CT, abdomen/pelvis. axial view. 768x768 px. 69-year-old male patient
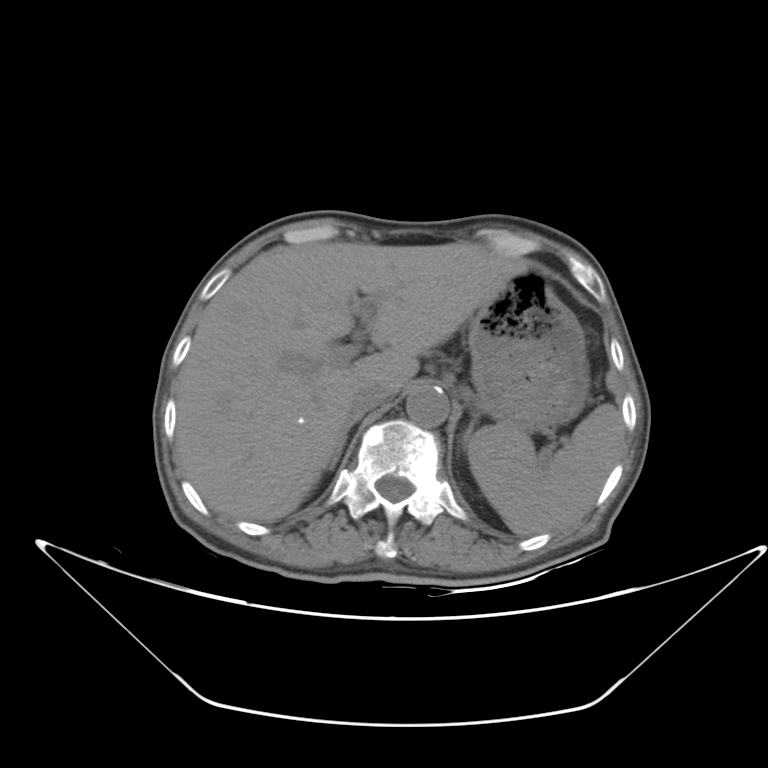 <organs><organ name="spleen" x1="469" y1="404" x2="624" y2="534"/><organ name="liver" x1="175" y1="240" x2="526" y2="521"/><organ name="stomach" x1="467" y1="264" x2="590" y2="431"/><organ name="aorta" x1="404" y1="385" x2="449" y2="428"/><organ name="inferior vena cava" x1="352" y1="385" x2="392" y2="413"/><organ name="pancreas" x1="327" y1="342" x2="333" y2="348"/><organ name="right adrenal gland" x1="320" y1="418" x2="354" y2="470"/><organ name="left adrenal gland" x1="462" y1="417" x2="475" y2="450"/></organs>